CT abdomen; axial plane, index 46; 768x768 px
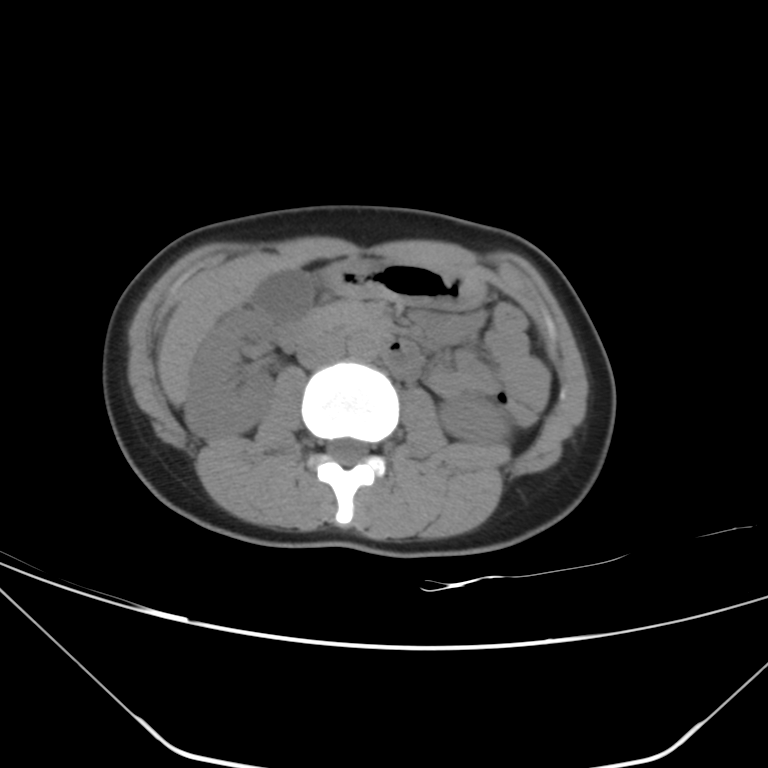
Coordinates as <box>x1,y1,x2,y2</box> in pixels.
Organ bounding boxes:
- right kidney: <box>185,305,273,437</box>
- left kidney: <box>438,395,508,444</box>
- gall bladder: <box>254,269,317,320</box>
- liver: <box>157,260,311,405</box>
- stomach: <box>321,257,484,310</box>
- aorta: <box>347,331,379,360</box>
- inferior vena cava: <box>297,335,344,368</box>
- pancreas: <box>316,300,374,330</box>
- duodenum: <box>274,311,421,380</box>